CT, abdomen/pelvis. axial plane, index 48. 50-year-old male patient
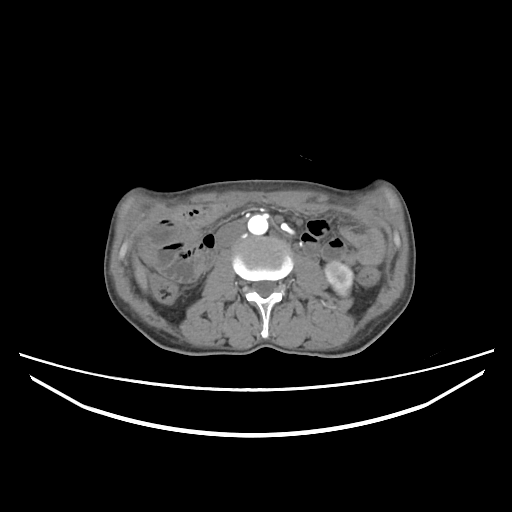
Boxes: x1 y1 x2 y2 (pixel coords, space-separated). Labeled organs on this slice: left kidney at 325 261 352 295, liver at 133 258 147 289, aorta at 247 214 268 234, inferior vena cava at 216 221 245 247.